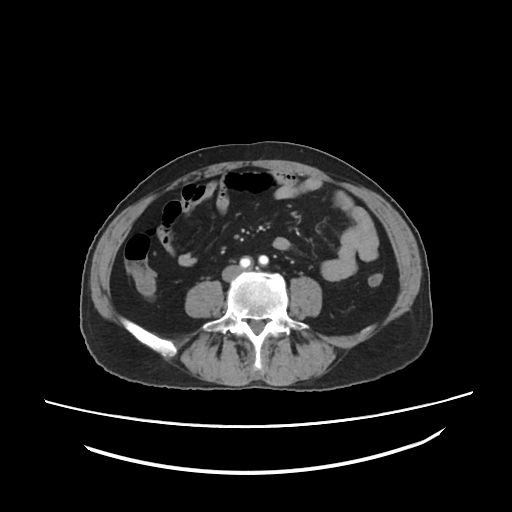

CT abdomen. Axial slice 45/135. soft-tissue window. 512x512 px. 68-year-old male patient. 15 organs annotated in this scan (counted over the whole 3D scan, not this slice; an organ is boxed only where this slice passes through it)
{"organs":{"aorta":[240,257,248,266],"inferior vena cava":[223,269,227,279]}}